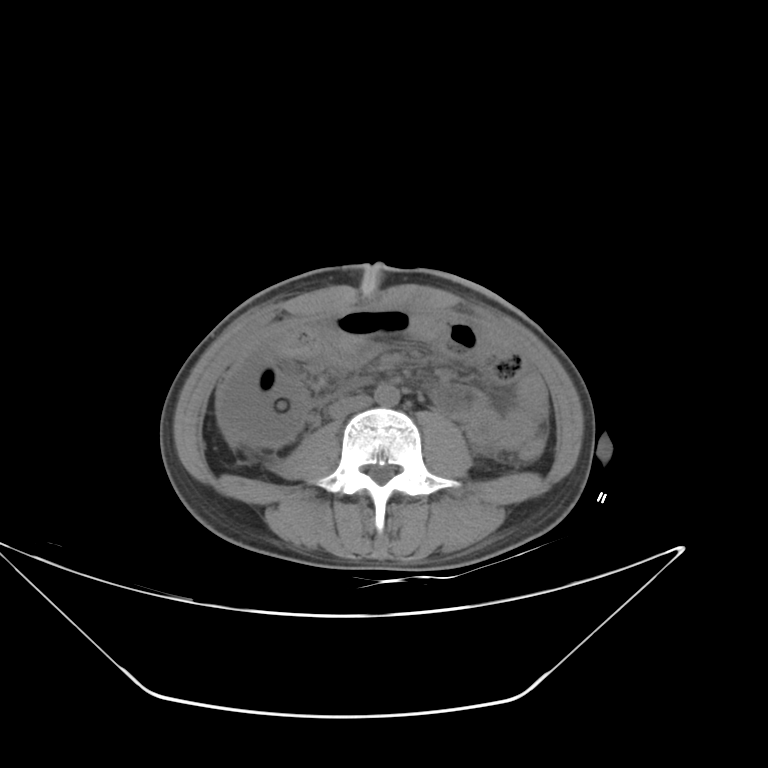
Abdominal CT · axial plane, index 49 · W/L 400/40 HU
Bounding boxes as [x1, y1, x2, y2] in pixel coordinates.
aorta: [374, 384, 399, 406]
inferior vena cava: [328, 395, 371, 418]